CT abdomen · axial plane, index 44 · abdomen soft-tissue window
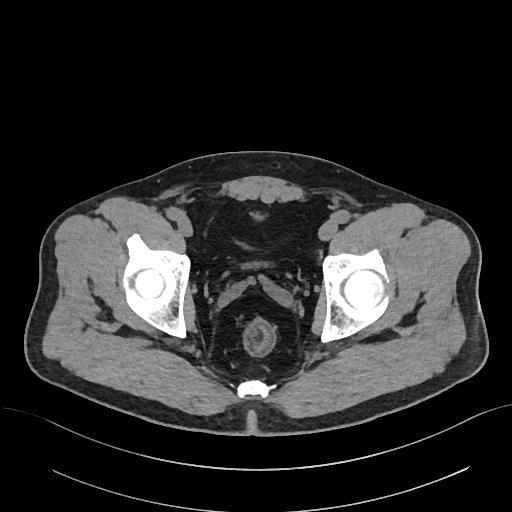
{"organs":{"bladder":[238,211,263,268]}}